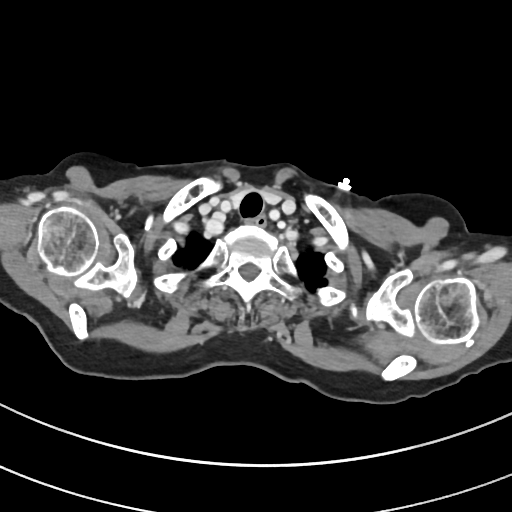

Chest-level CT slice, above the liver and spleen. Axial slice 277/284. soft-tissue window. SOMATOM Force scanner
At this level of the chest this dataset labels only the esophagus and the aorta, and each is boxed only where it is labeled; the heart and lungs are never labeled.
Boxes: x1 y1 x2 y2 (pixel coords, space-separated).
esophagus: 245 215 268 224